Chest-level slice from an abdominal CT that extends up into the chest · axial plane, index 108 · soft-tissue window · 54-year-old male patient
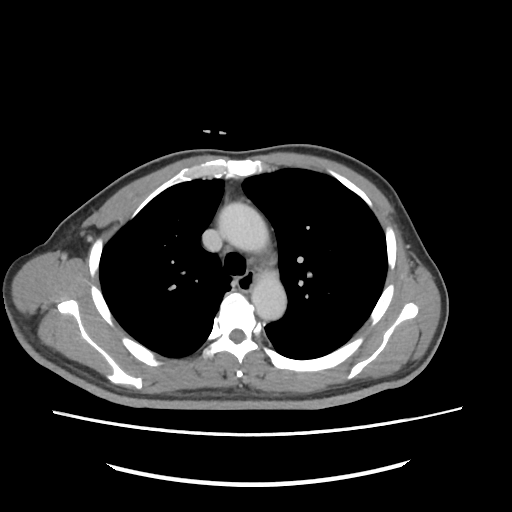 On a slice this high in the chest, this dataset labels only the esophagus and the aorta, and each is boxed only where it is labeled; the heart, lungs and other chest structures are not labeled.
Bounding boxes as [x1, y1, x2, y2] in pixel coordinates.
Organ bounding boxes:
- aorta: [218, 202, 268, 251]
- aorta: [251, 271, 286, 320]
- esophagus: [236, 272, 254, 290]